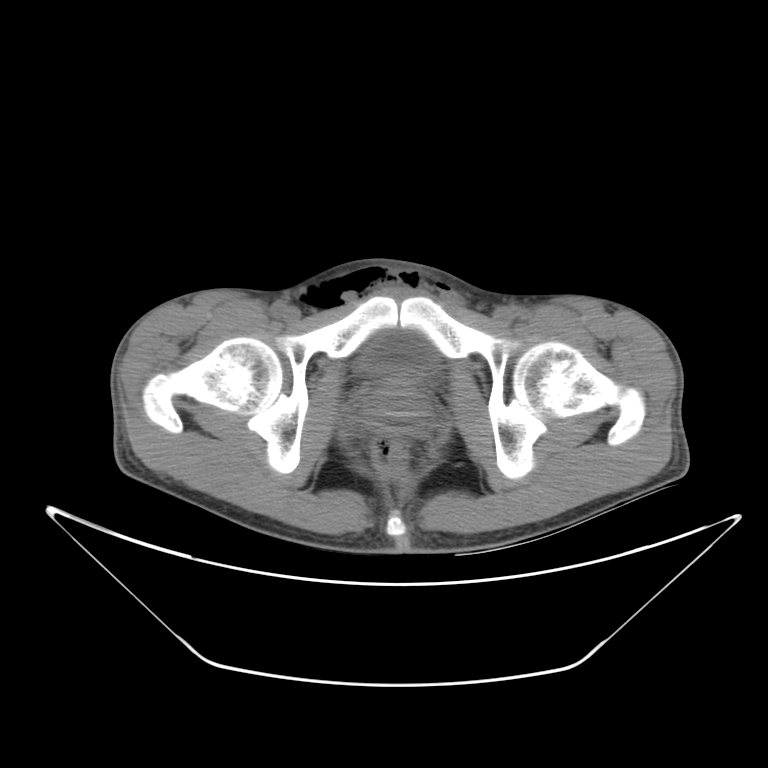
CT abdomen — axial view — W/L 400/40 HU — 768x768 px — 33-year-old male patient — 15 organs annotated in this scan (that count is for the whole scan; organs this slice misses have no box)
Boxes are (x1, y1, x2, y2) in pixels.
bladder: (361, 330, 437, 374)
prostate/uterus: (361, 377, 433, 425)